Abdominal CT; axial view; soft-tissue window (W 400 / L 40); 512x512 px; 15 organs annotated in this scan (that count is for the whole scan; organs this slice misses have no box)
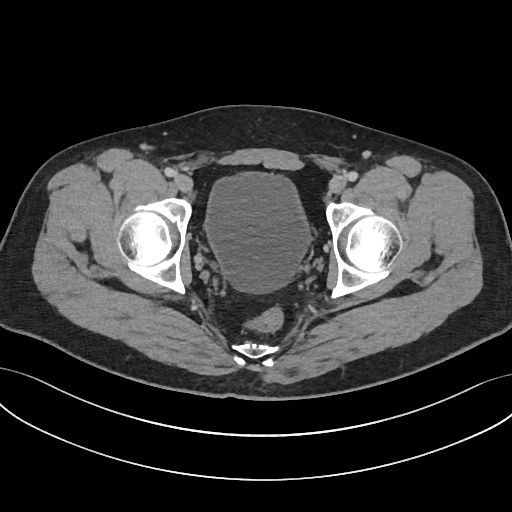
<organs><organ name="bladder" x1="206" y1="173" x2="308" y2="292"/></organs>